CT abdomen — axial plane, index 57 — W/L 400/40 HU — 66-year-old female patient
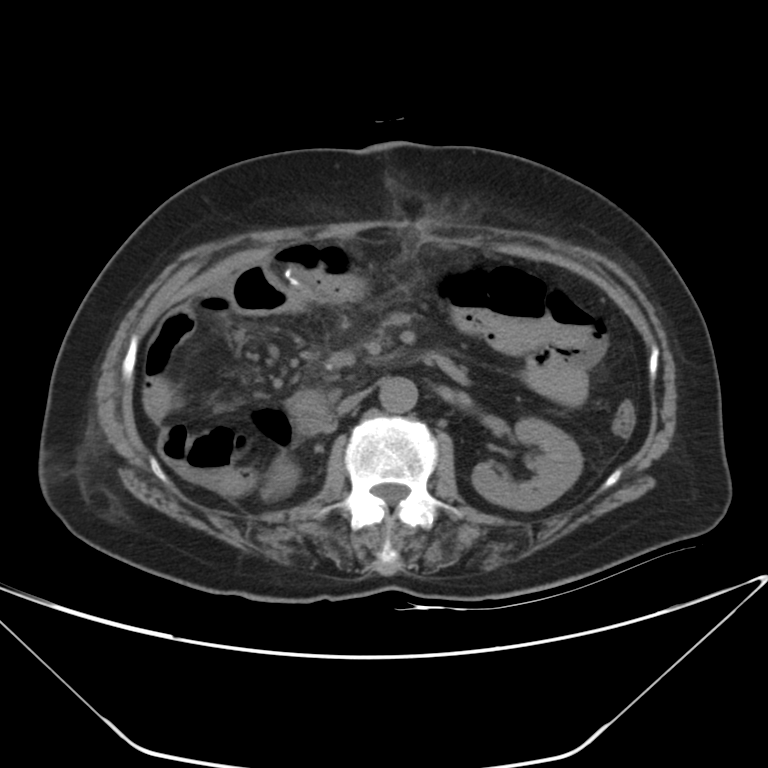
{"organs":{"duodenum":[287,354,464,430],"left kidney":[472,418,582,510],"aorta":[379,376,417,413],"right kidney":[261,456,299,499],"inferior vena cava":[337,393,363,414]}}